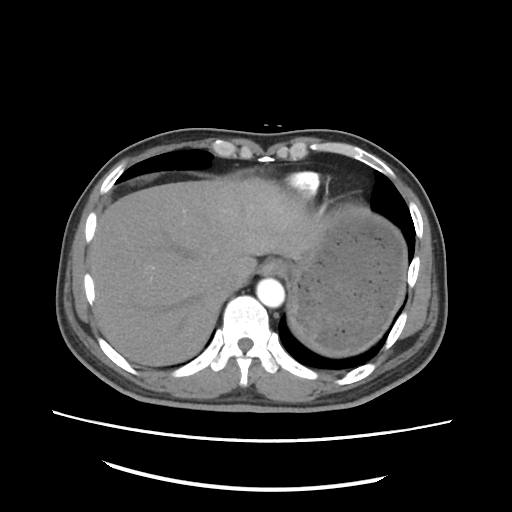

Abdominal CT · Axial slice 88/98 · 54-year-old male patient · 15 organs annotated in this scan (a whole-scan count: organs this slice does not pass through have no box)
Boxes: x1:y1:x2:y2 in pixels. Labeled organs on this slice: esophagus at 260:258:291:275, liver at 88:173:315:365, stomach at 287:206:405:356, aorta at 256:278:284:307, inferior vena cava at 219:273:240:292.